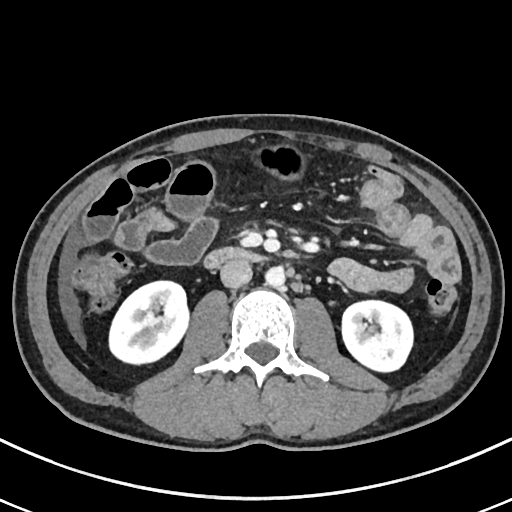
Computed tomography, abdomen; axial plane, index 124
Boxes are (x1, y1, x2, y2) in pixels.
right kidney: (109, 281, 189, 364)
left kidney: (342, 300, 412, 371)
aorta: (265, 266, 285, 287)
inferior vena cava: (220, 260, 252, 288)
duodenum: (204, 247, 261, 268)